CT, abdomen/pelvis — axial view — W/L 400/40 HU — 512x512 px
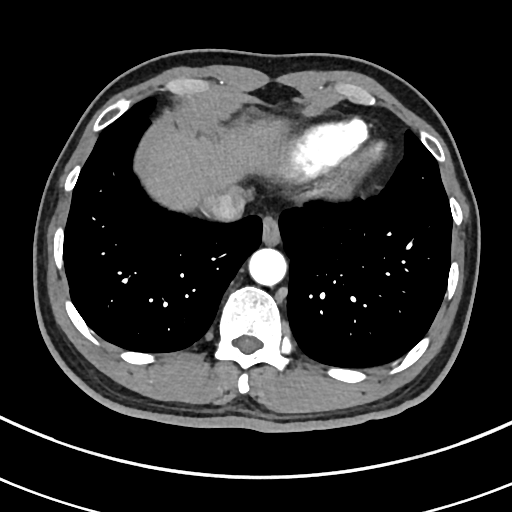

{"organs":{"esophagus":[261,215,280,244],"liver":[147,119,283,211],"aorta":[248,247,286,285],"inferior vena cava":[204,193,244,222]}}